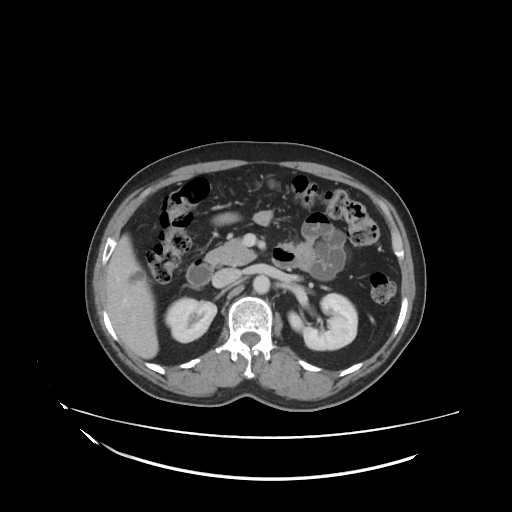
Computed tomography, abdomen; Axial slice 59/116; W/L 400/40 HU; acquired on Aquilion ONE
<organs><organ name="right kidney" x1="165" y1="297" x2="216" y2="342"/><organ name="left kidney" x1="288" y1="293" x2="357" y2="350"/><organ name="liver" x1="107" y1="233" x2="157" y2="359"/><organ name="aorta" x1="253" y1="274" x2="270" y2="294"/><organ name="inferior vena cava" x1="212" y1="267" x2="240" y2="288"/><organ name="pancreas" x1="206" y1="238" x2="256" y2="265"/><organ name="duodenum" x1="186" y1="261" x2="212" y2="286"/></organs>